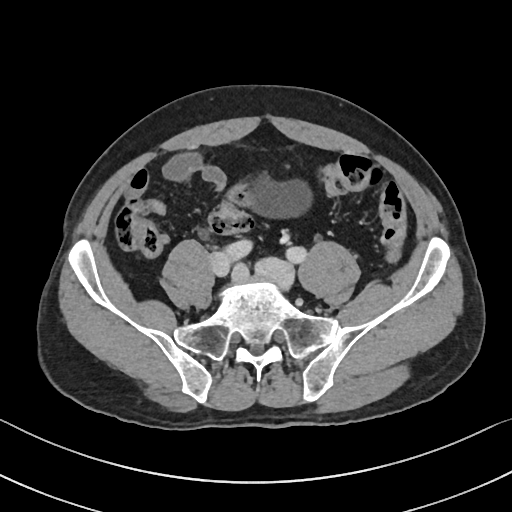

CT abdomen · axial view · SOMATOM Force scanner
<organs><organ name="bladder" x1="254" y1="180" x2="311" y2="217"/></organs>